CT abdomen — Axial slice 135/236 — abdomen soft-tissue window — 512x512 px
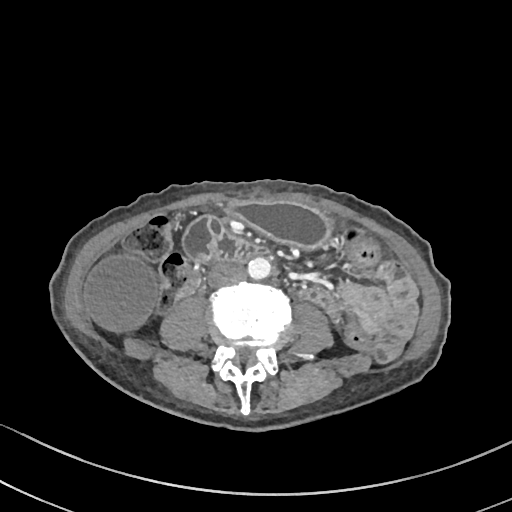
Boxes: x1 y1 x2 y2 (pixel coords, space-separated).
gall bladder: 81 254 157 330
stomach: 227 201 330 248
aorta: 247 257 271 279
inferior vena cava: 209 263 245 287
duodenum: 183 216 267 262